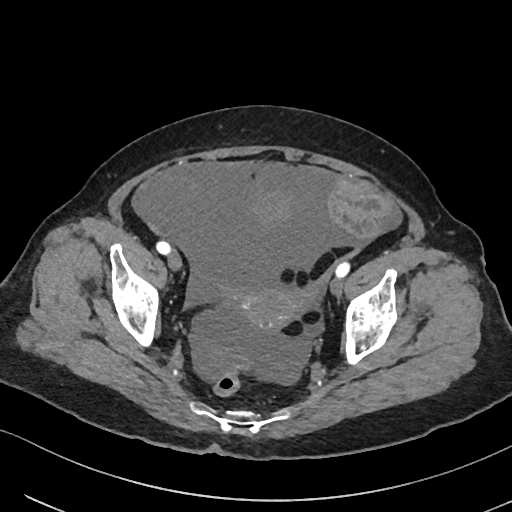
CT abdomen; Axial slice 55/297; soft-tissue window
<organs><organ name="prostate/uterus" x1="230" y1="289" x2="302" y2="331"/></organs>